CT abdomen — axial plane, index 27 — acquired on SOMATOM Force
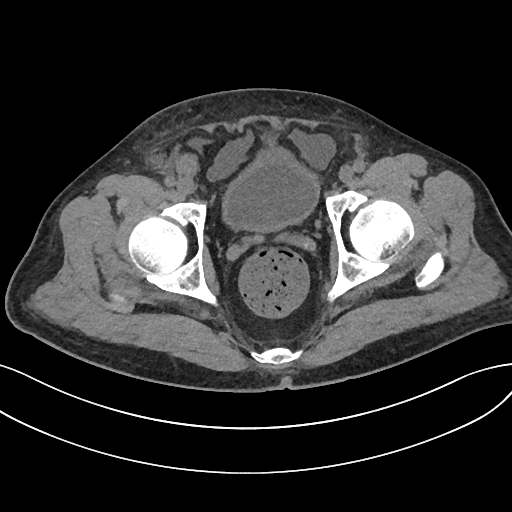 Each box given as x1,y1,x2,y2. Labeled organs on this slice: bladder at x1=222, y1=146, x2=318, y2=230.